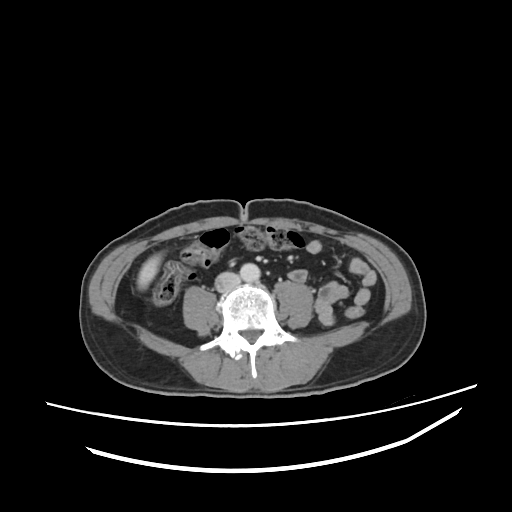 Abdominal CT — axial view — 512x512 px
Organ boxes in pixel coordinates; each row gives the top-left (x1, y1) and bottom-right (x2, y2) corners.
| organ | x1 | y1 | x2 | y2 |
|---|---|---|---|---|
| liver | 137 | 254 | 161 | 288 |
| aorta | 240 | 263 | 260 | 281 |
| inferior vena cava | 215 | 272 | 240 | 292 |